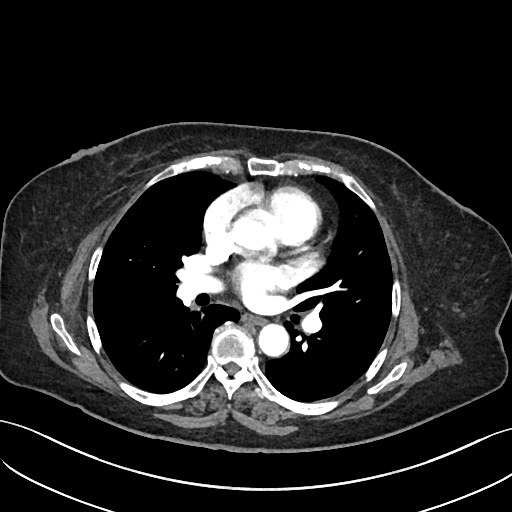 Chest-level CT slice, above the liver and spleen; axial plane, index 214; soft-tissue window (W 400 / L 40)
On a slice this high in the chest, this dataset labels only the esophagus and the aorta, and each is boxed only where it is labeled; the heart, lungs and other chest structures are not labeled. Coordinates as <box>x1,y1,x2,y2</box> in pixels. Labeled organs on this slice: esophagus at <box>243,315,265,324</box>, aorta at <box>258,324,288,356</box>.